Computed tomography, abdomen. axial plane, index 10. 15 organs annotated in this scan (a whole-scan count: organs this slice does not pass through have no box)
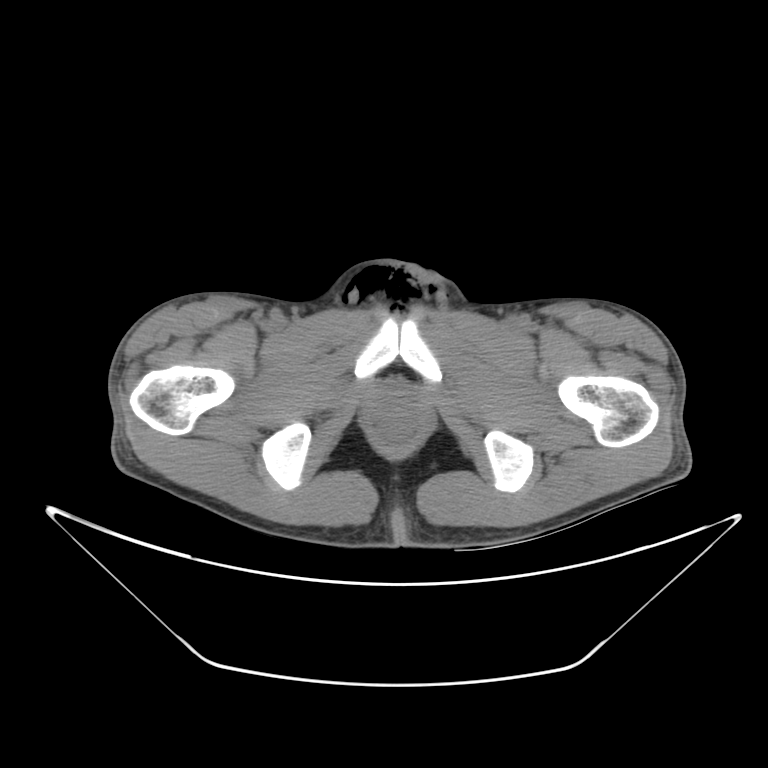
{"organs":{"prostate/uterus":[378,393,414,418]}}